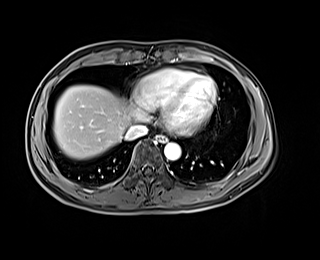 Abdominal MRI · Axial slice 51/72 · percentile-normalized · 320x260 px
Each box given as x1,y1,x2,y2. 4 labeled organs on this slice — esophagus at x1=156, y1=135, x2=166, y2=142; liver at x1=53, y1=85, x2=132, y2=159; aorta at x1=164, y1=142, x2=180, y2=160; inferior vena cava at x1=125, y1=125, x2=147, y2=140.